Abdominal CT — axial view — 512x512 px — 66-year-old male patient
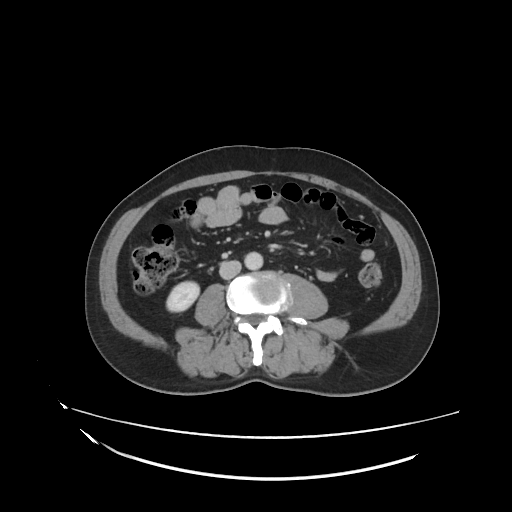

Coordinates as <box>x1,y1,x2,y2</box> in pixels.
right kidney: <box>166,281,198,312</box>
aorta: <box>244,252,262,270</box>
inferior vena cava: <box>219,260,241,280</box>